CT, abdomen/pelvis; axial plane, index 11; 768x768 px; Brilliance16 scanner; scan has 15 labeled organs (that count is for the whole scan; organs this slice misses have no box)
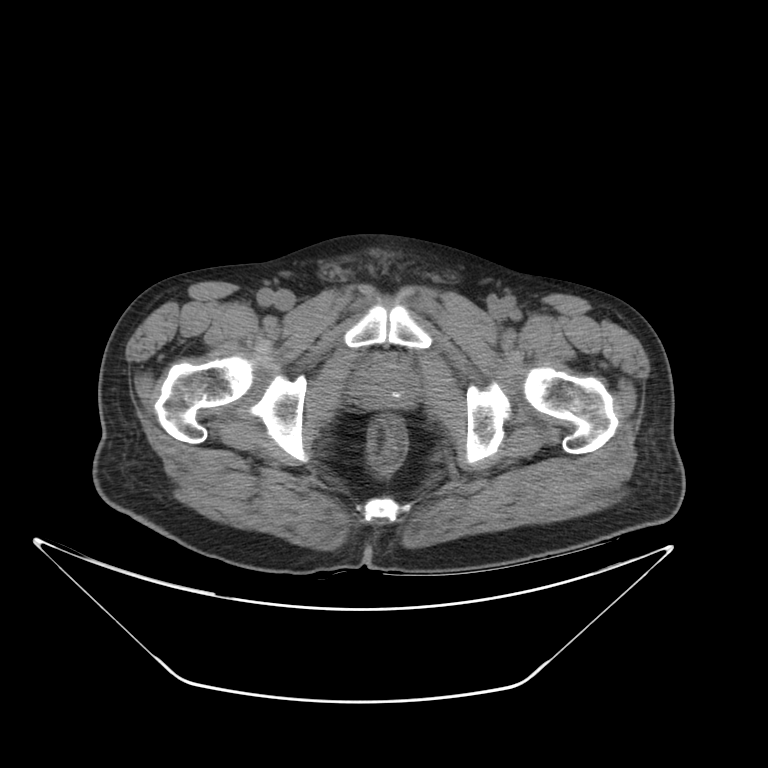

Each box given as x1,y1,x2,y2.
Organ bounding boxes:
- prostate/uterus: x1=356, y1=362, x2=418, y2=412